Computed tomography, abdomen · axial view · abdomen soft-tissue window · scan has 15 labeled organs (a whole-scan count: organs this slice does not pass through have no box)
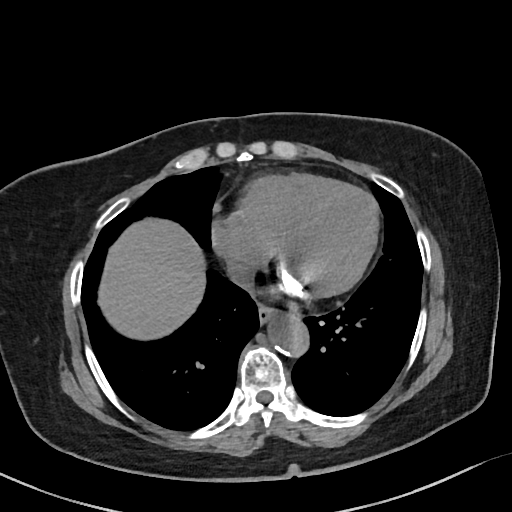

{"organs":{"esophagus":[258,306,276,326],"liver":[99,219,207,339],"aorta":[268,311,310,358],"inferior vena cava":[227,263,254,286]}}